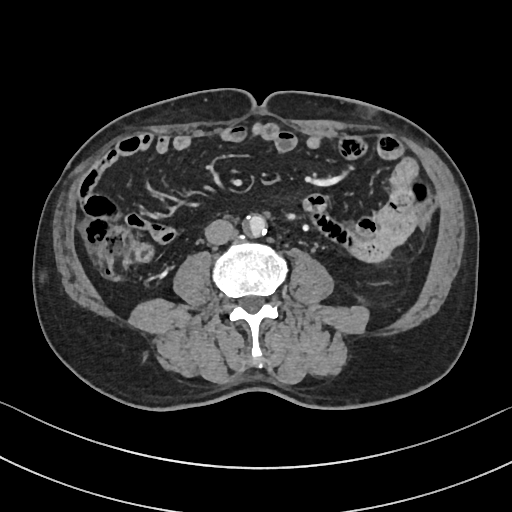

Abdominal CT · Axial slice 123/221 · abdomen soft-tissue window
Bounding boxes as [x1, y1, x2, y2] in pixel coordinates.
aorta: [244, 214, 266, 236]
inferior vena cava: [205, 219, 233, 244]